Computed tomography, abdomen; axial view; scan has 15 labeled organs (a whole-scan count: organs this slice does not pass through have no box)
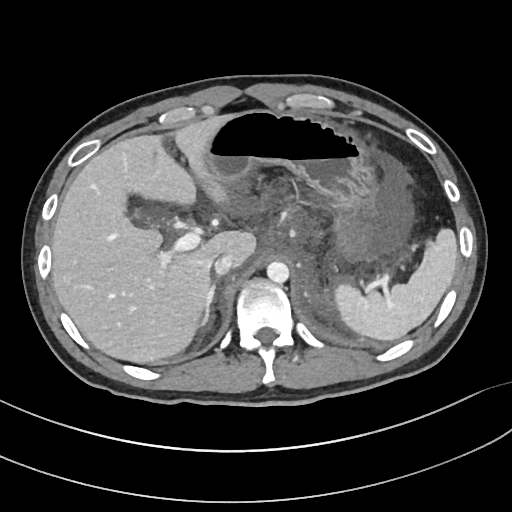 Coordinates as <box>x1,y1,x2,y2</box> in pixels.
aorta: <box>266,261,289,283</box>
spleen: <box>334,228,457,340</box>
liver: <box>52,116,256,363</box>
right adrenal gland: <box>201,283,215,325</box>
stomach: <box>203,109,378,260</box>
inferior vena cava: <box>214,253,233,275</box>